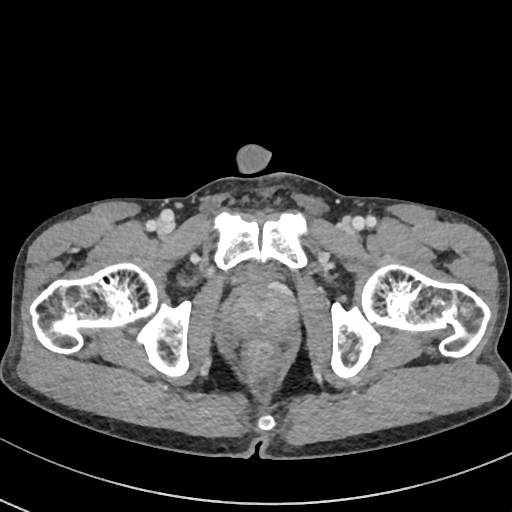

Computed tomography, abdomen · axial view · scan has 15 labeled organs (a whole-scan count: organs this slice does not pass through have no box)
Each box given as x1,y1,x2,y2.
Organ bounding boxes:
- bladder: x1=238, y1=266, x2=277, y2=281
- prostate/uterus: x1=228, y1=283, x2=295, y2=337